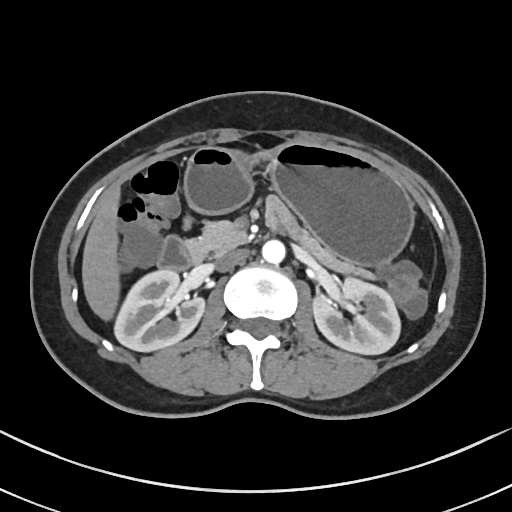 Abdominal CT · axial view · 512x512 px
Boxes: x1:y1:x2:y2 in pixels.
Organ bounding boxes:
- pancreas: 188:221:377:279
- liver: 82:188:119:316
- aorta: 262:239:285:263
- duodenum: 158:235:203:269
- right kidney: 114:268:203:350
- stomach: 184:142:412:265
- inferior vena cava: 214:249:248:271
- left kidney: 313:275:401:353